CT abdomen. axial view
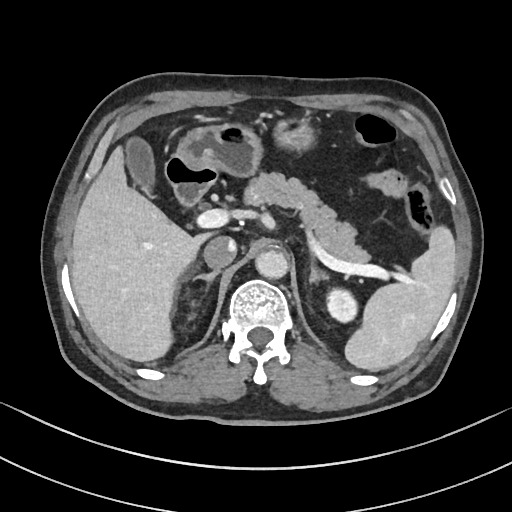
Each box given as x1,y1,x2,y2.
Organ bounding boxes:
- spleen: x1=345, y1=227, x2=456, y2=370
- left kidney: x1=324, y1=288, x2=357, y2=322
- gall bladder: x1=127, y1=140, x2=153, y2=192
- liver: x1=71, y1=148, x2=212, y2=360
- stomach: x1=174, y1=120, x2=313, y2=175
- aorta: x1=255, y1=249, x2=288, y2=278
- inferior vena cava: x1=204, y1=235, x2=236, y2=267
- pancreas: x1=244, y1=171, x2=369, y2=263
- right adrenal gland: x1=193, y1=270, x2=219, y2=281
- left adrenal gland: x1=308, y1=258, x2=328, y2=282
- duodenum: x1=164, y1=157, x2=217, y2=205